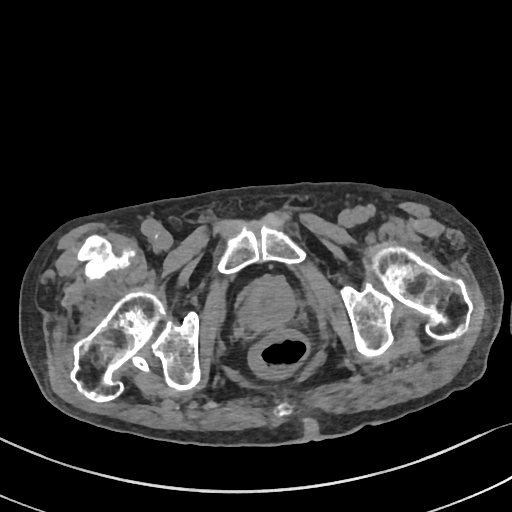

Abdominal CT. Axial slice 16/208. 512x512 px. scan has 15 labeled organs (a whole-scan count: organs this slice does not pass through have no box)
Bounding boxes as [x1, y1, x2, y2] in pixel coordinates.
prostate/uterus: [243, 277, 295, 331]